Abdominal CT · axial view · W/L 400/40 HU · acquired on SOMATOM Force · scan has 15 labeled organs (that count is for the whole scan; organs this slice misses have no box)
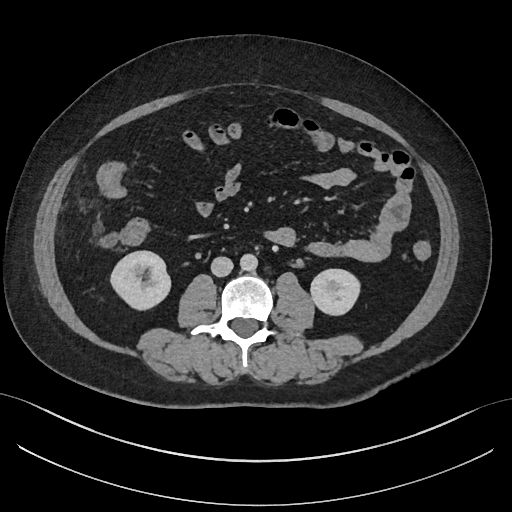 Bounding boxes in pixels, one row per box: x1, y1 is the top-left corner and x2, y2 the bottom-right.
| organ | x1 | y1 | x2 | y2 |
|---|---|---|---|---|
| right kidney | 110 | 251 | 171 | 311 |
| left kidney | 311 | 269 | 361 | 316 |
| aorta | 239 | 253 | 257 | 271 |
| inferior vena cava | 211 | 256 | 233 | 277 |